Abdominal CT. axial view
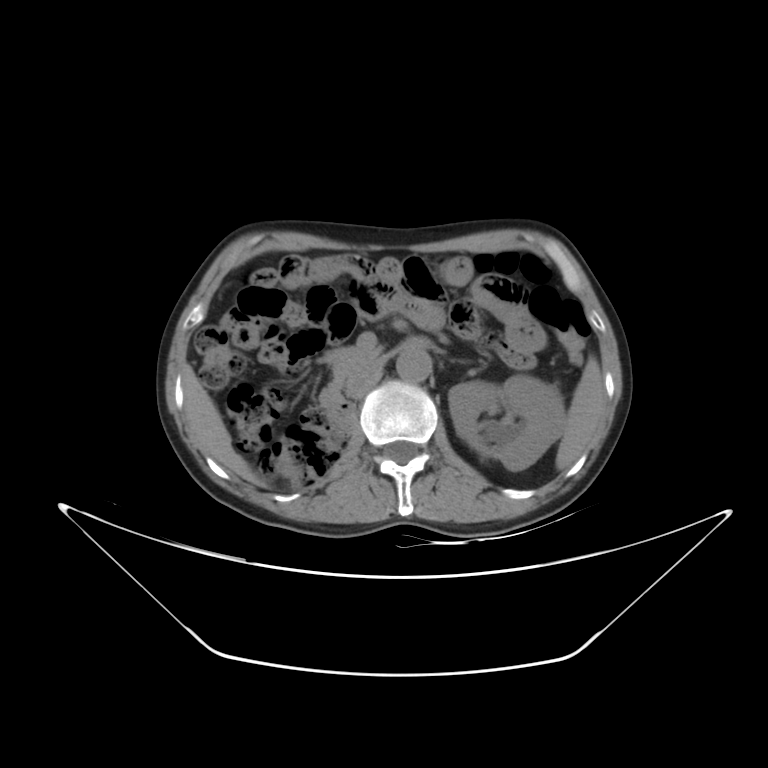
{"organs":{"duodenum":[320,391,350,428],"pancreas":[324,346,378,391],"inferior vena cava":[346,360,379,398],"left kidney":[448,375,565,471],"aorta":[396,349,431,382],"liver":[183,365,262,484],"spleen":[555,357,604,470]}}